Computed tomography, abdomen. axial view. abdomen soft-tissue window. SOMATOM Force scanner
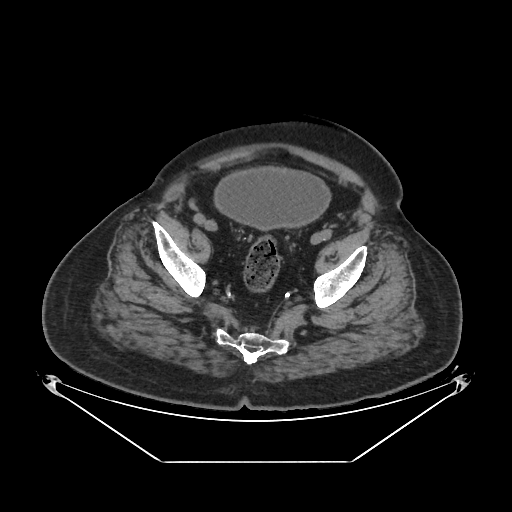 <organs><organ name="bladder" x1="215" y1="167" x2="330" y2="229"/></organs>